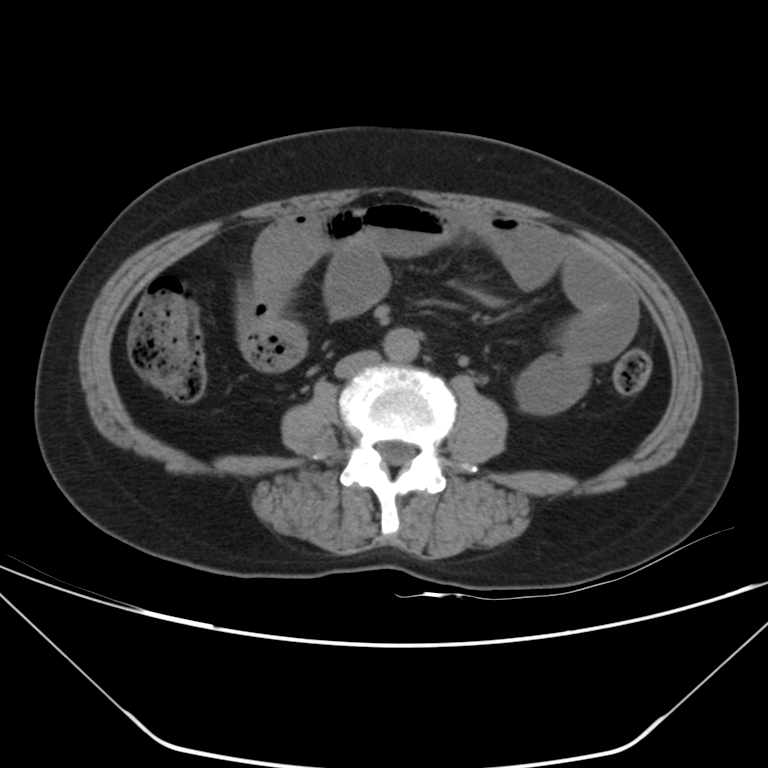 Abdominal CT · axial plane, index 40 · soft-tissue window (W 400 / L 40)
{"organs":{"aorta":[383,327,420,362],"inferior vena cava":[334,350,379,377]}}